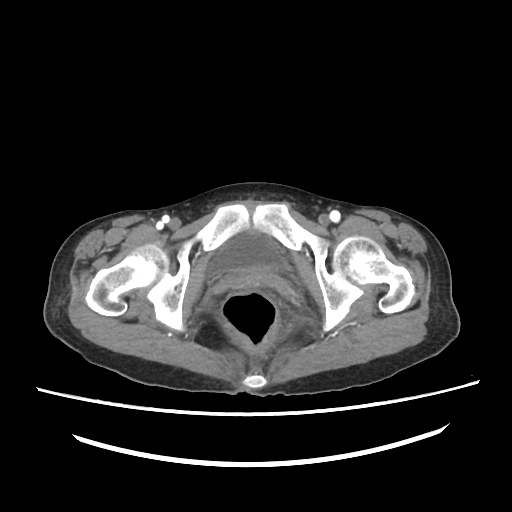

CT abdomen. axial plane, index 9. soft-tissue window (W 400 / L 40). 512x512 px. 58-year-old female patient. Aquilion ONE scanner
Boxes are (x1, y1, x2, y2) in pixels.
bladder: (209, 231, 281, 273)